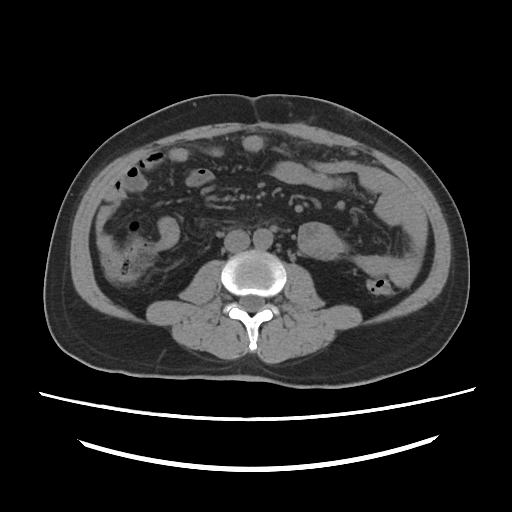

Computed tomography, abdomen · axial view · 512x512 px · 49-year-old male patient
<organs><organ name="aorta" x1="253" y1="228" x2="272" y2="249"/><organ name="inferior vena cava" x1="224" y1="230" x2="249" y2="252"/></organs>